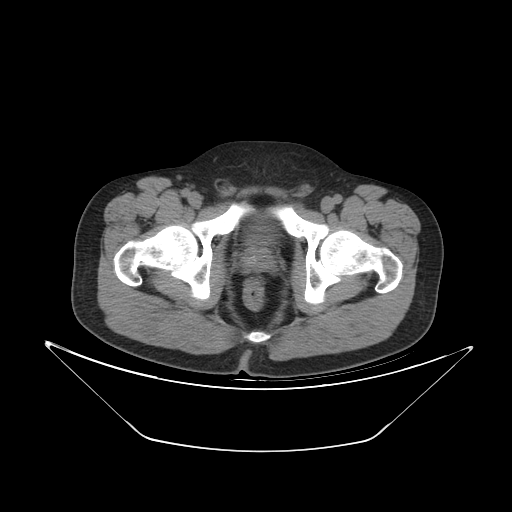
Abdominal CT · axial view · abdomen soft-tissue window · 512x512 px · 41-year-old male patient
Boxes: x1:y1:x2:y2 in pixels.
prostate/uterus: 242:246:273:271
bladder: 248:226:271:246